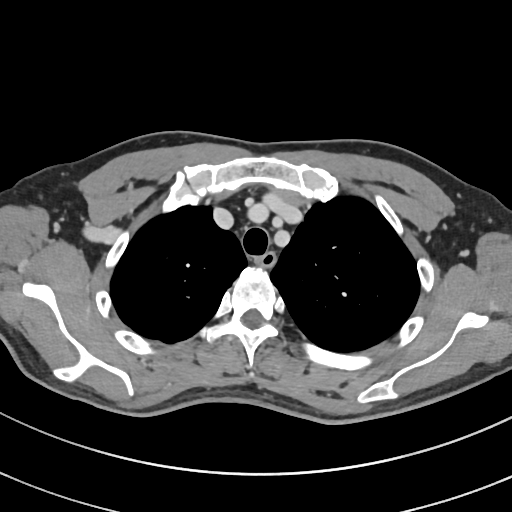

Chest-level CT slice, above the liver and spleen — axial view — soft-tissue window — 512x512 px
On a slice this high in the chest, this dataset labels only the esophagus and the aorta, and each is boxed only where it is labeled; the heart, lungs and other chest structures are not labeled.
Boxes: x1:y1:x2:y2 in pixels.
esophagus: 256:252:276:266